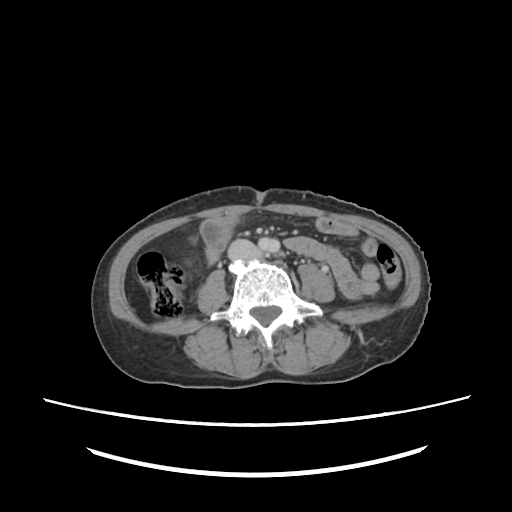

Abdominal CT; axial plane, index 48; 512x512 px; 60-year-old female patient
<organs><organ name="inferior vena cava" x1="230" y1="241" x2="257" y2="262"/></organs>